Computed tomography, abdomen. axial view. acquired on SOMATOM Force
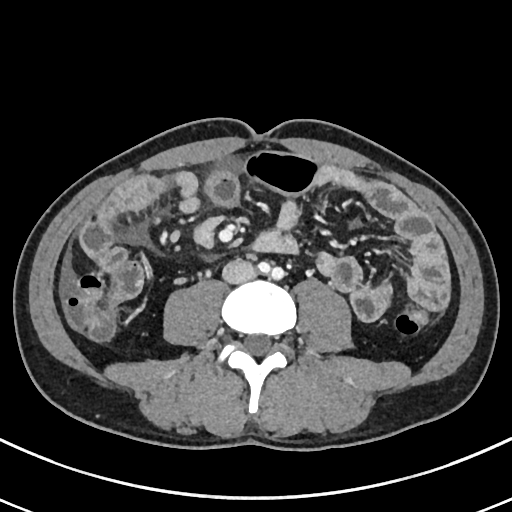

{"organs":{"inferior vena cava":[221,258,255,283]}}